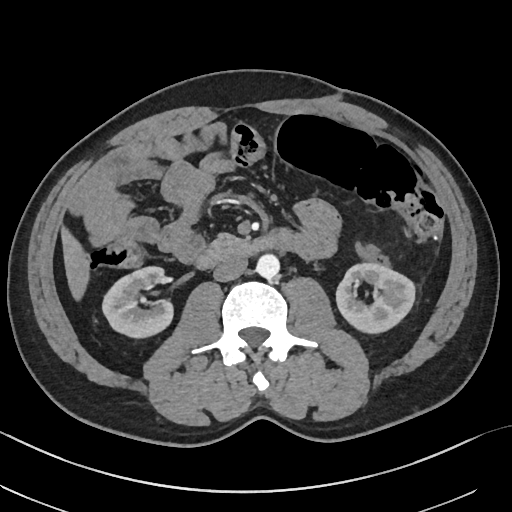 CT, abdomen/pelvis · axial view · soft-tissue window
Boxes: x1:y1:x2:y2 in pixels. The annotated organs in this slice are: aorta at 256:253:279:278, duodenum at 197:236:277:269, liver at 60:227:87:297, left kidney at 336:263:415:333, inferior vena cava at 213:256:247:282, pancreas at 210:233:249:248, right kidney at 102:266:174:336.